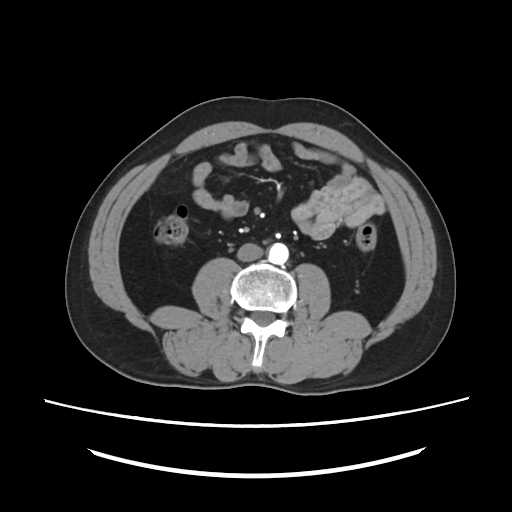
CT, abdomen/pelvis; Axial slice 57/134; 512x512 px; 46-year-old male patient
Boxes are (x1, y1, x2, y2) in pixels.
Organ bounding boxes:
- inferior vena cava: (237, 243, 263, 261)
- aorta: (266, 242, 288, 265)